Computed tomography, abdomen; axial plane, index 12; soft-tissue window; 68-year-old male patient
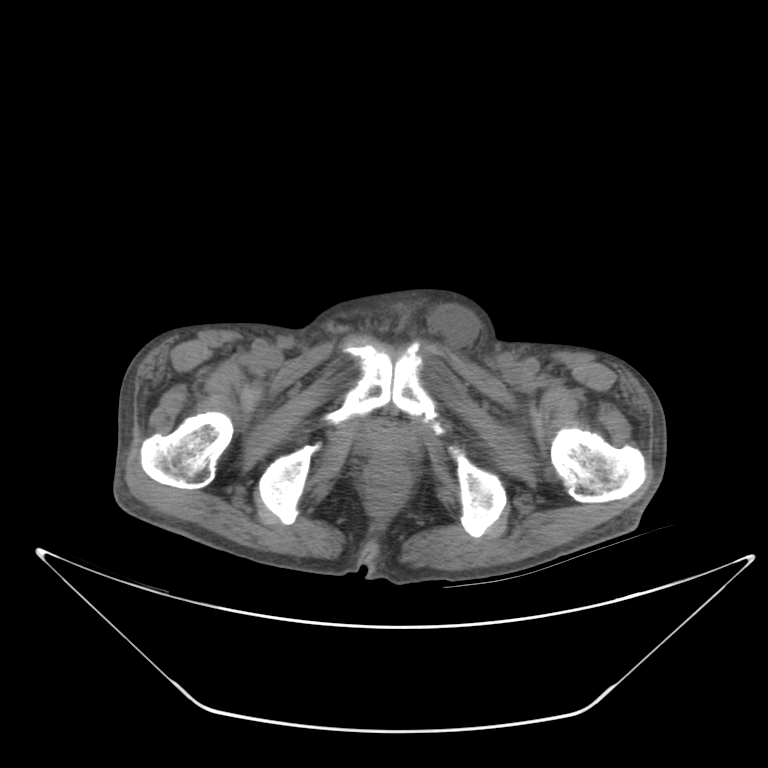
Boxes are (x1, y1, x2, y2) in pixels.
Organ bounding boxes:
- prostate/uterus: (366, 426, 405, 455)